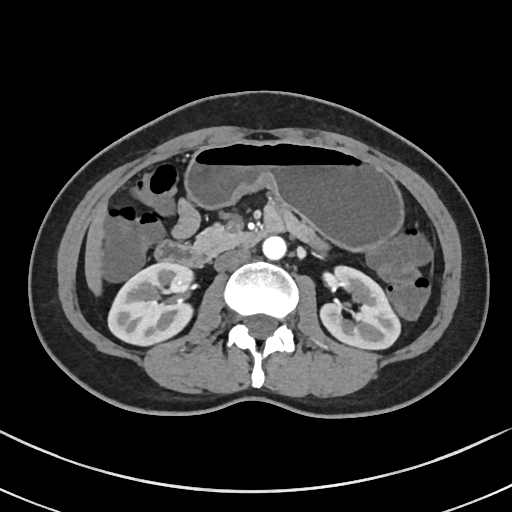

Abdominal CT; axial plane, index 155; 512x512 px
{"organs":{"stomach":[185,140,403,250],"duodenum":[155,217,284,266],"inferior vena cava":[214,248,249,270],"left kidney":[320,266,400,349],"pancreas":[194,225,245,255],"right kidney":[108,262,192,345],"liver":[84,201,107,295],"aorta":[262,236,286,259]}}